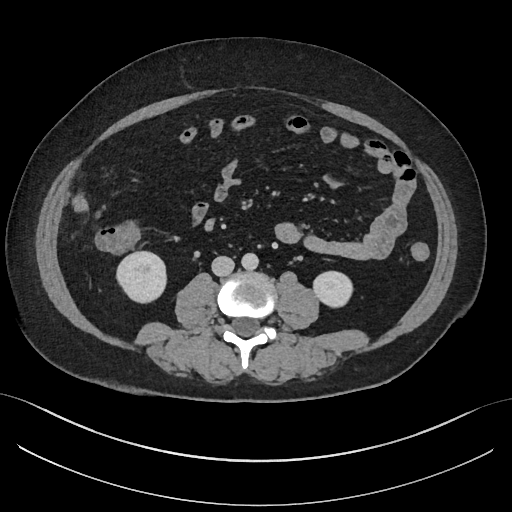 CT abdomen. axial view
Box edges are left/top/right/bottom in pixels. Labeled organs on this slice: right kidney at left=116, top=251, right=166, bottom=302, left kidney at left=313, top=271, right=352, bottom=307, aorta at left=241, top=252, right=258, bottom=270, inferior vena cava at left=211, top=256, right=234, bottom=276.